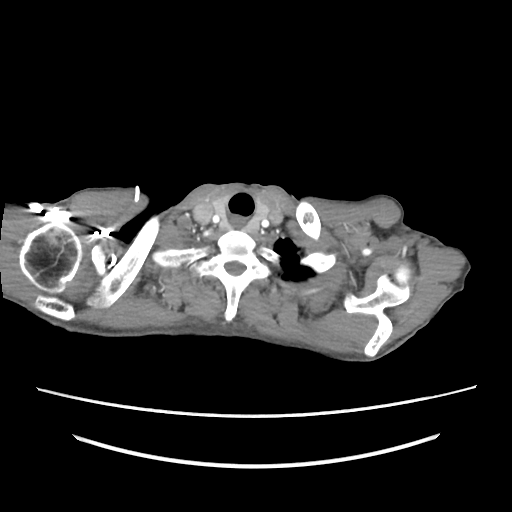

Chest-level slice from an abdominal CT that extends up into the chest; axial view
At this level of the chest no structure but the esophagus and the aorta has a label in this dataset, and those two are boxed only where they are labeled.
Organ boxes in pixel coordinates; each row gives the top-left (x1, y1) and bottom-right (x2, y2) corners.
| organ | x1 | y1 | x2 | y2 |
|---|---|---|---|---|
| esophagus | 231 | 223 | 242 | 229 |